Abdominal MR — Axial slice 46/72 — scan has 13 labeled organs (that count is for the whole scan; organs this slice misses have no box)
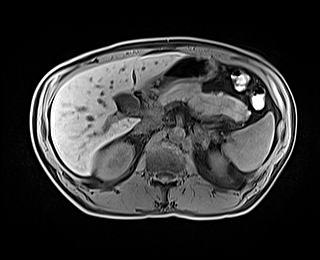 Each box given as x1,y1,x2,y2.
Organ bounding boxes:
- aorta: x1=169, y1=127, x2=184, y2=142
- spleen: x1=223, y1=112, x2=274, y2=171
- right kidney: x1=96, y1=142, x2=133, y2=179
- stomach: x1=141, y1=55, x2=216, y2=92
- duodenum: x1=133, y1=90, x2=150, y2=107
- right adrenal gland: x1=126, y1=132, x2=146, y2=136
- left adrenal gland: x1=194, y1=126, x2=218, y2=149
- gall bladder: x1=114, y1=93, x2=131, y2=106
- pancreas: x1=158, y1=82, x2=249, y2=120
- left kidney: x1=210, y1=152, x2=226, y2=174
- inferior vena cava: x1=138, y1=118, x2=160, y2=131
- liver: x1=50, y1=52, x2=183, y2=175